Computed tomography, abdomen · axial plane, index 72 · soft-tissue window (W 400 / L 40) · Aquilion ONE scanner
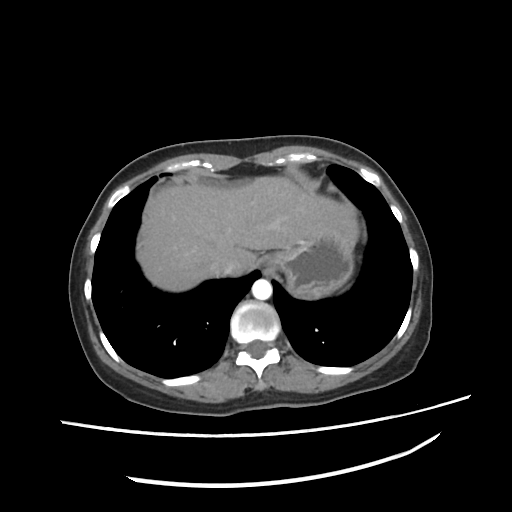

{"organs":{"liver":[139,175,357,291],"stomach":[262,238,353,299],"aorta":[251,278,272,300],"inferior vena cava":[212,254,236,276]}}